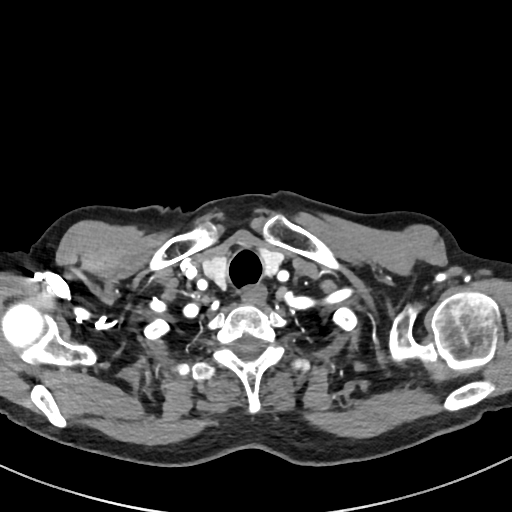 Chest-level CT slice, above the liver and spleen. axial view. 512x512 px. SOMATOM Force scanner
At this level of the chest no structure but the esophagus and the aorta has a label in this dataset, and those two are boxed only where they are labeled. Boxes are (x1, y1, x2, y2) in pixels. The annotated organs in this slice are: esophagus at (243, 286, 265, 302).